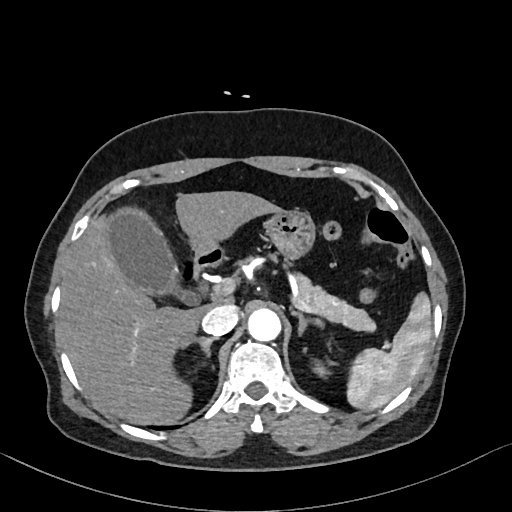
Abdominal CT · axial view · abdomen soft-tissue window · 512x512 px
{"organs":{"spleen":[346,292,431,410],"left kidney":[312,364,330,378],"gall bladder":[105,206,176,296],"liver":[60,191,279,425],"stomach":[188,209,314,257],"aorta":[248,307,280,340],"inferior vena cava":[201,304,238,336],"pancreas":[293,273,374,330],"right adrenal gland":[179,335,215,356],"left adrenal gland":[290,307,323,333],"duodenum":[192,245,226,281]}}